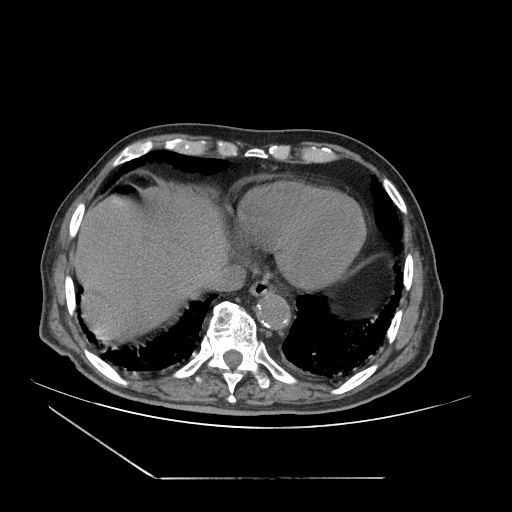

CT abdomen. axial view. 512x512 px. SOMATOM Force scanner
Organ boxes in pixel coordinates; each row gives the top-left (x1, y1) and bottom-right (x2, y2) corners.
| organ | x1 | y1 | x2 | y2 |
|---|---|---|---|---|
| liver | 74 | 185 | 230 | 341 |
| inferior vena cava | 202 | 264 | 246 | 291 |
| esophagus | 249 | 279 | 273 | 296 |
| aorta | 256 | 292 | 290 | 329 |